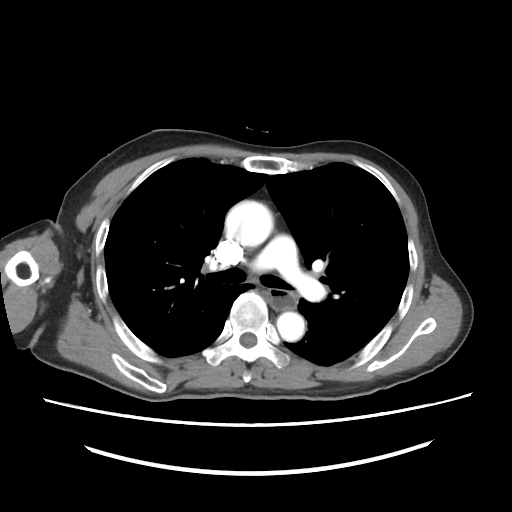
Chest-level CT slice, above the liver and spleen · axial view · soft-tissue window (W 400 / L 40) · 14 organs annotated in this scan (counted over the whole 3D scan, not this slice; an organ is boxed only where this slice passes through it)
On a slice this high in the chest, this dataset labels only the esophagus and the aorta, and each is boxed only where it is labeled; the heart, lungs and other chest structures are not labeled.
Box edges are left/top/right/bottom in pixels.
Organ bounding boxes:
- esophagus: left=263, top=288, right=296, bottom=310
- aorta: left=225, top=202, right=273, bottom=246
- aorta: left=276, top=312, right=303, bottom=341